Abdominal CT reaching into the chest; this slice is in the chest — axial view — soft-tissue window, W/L 400/40 — 34-year-old female patient
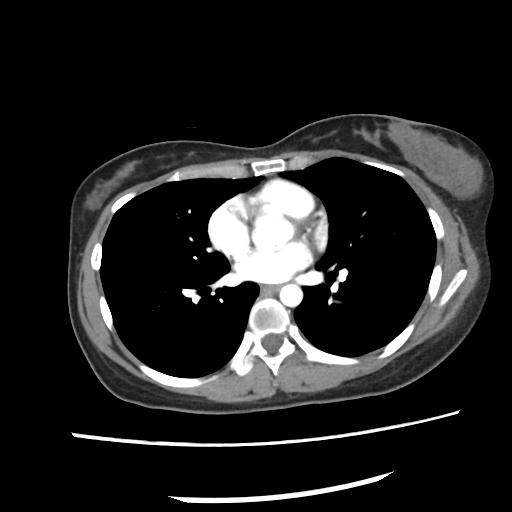
At this level of the chest this dataset labels only the esophagus and the aorta, and each is boxed only where it is labeled; the heart and lungs are never labeled. Boxes: x1 y1 x2 y2 (pixel coords, space-separated). Labeled organs on this slice: aorta at 279 284 302 306, esophagus at 260 284 280 293.